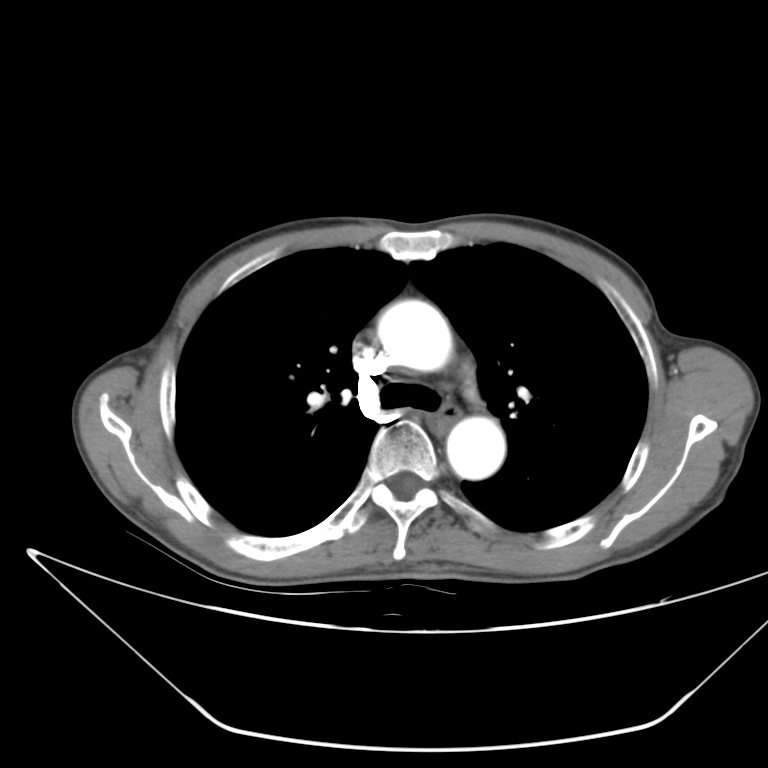
Chest-level slice from an abdominal CT that extends up into the chest · axial view · 768x768 px
On a slice this high in the chest, this dataset labels only the esophagus and the aorta, and each is boxed only where it is labeled; the heart, lungs and other chest structures are not labeled. Boxes: x1 y1 x2 y2 (pixel coords, space-separated). Labeled organs on this slice: aorta at 378 300 452 371, aorta at 446 416 505 479, esophagus at 427 408 459 436.